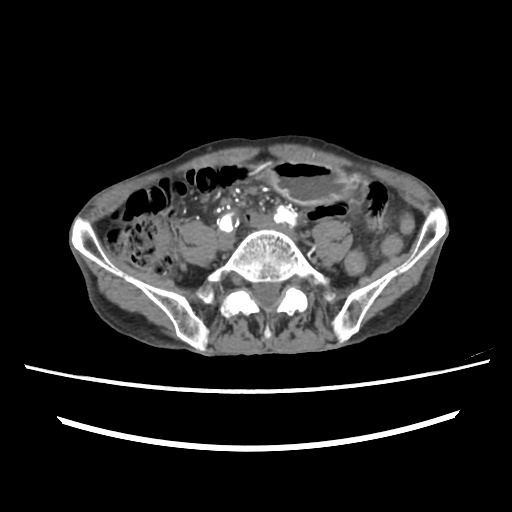
CT, abdomen/pelvis. axial plane, index 35. W/L 400/40 HU. 81-year-old male patient
<organs><organ name="stomach" x1="266" y1="162" x2="350" y2="205"/></organs>